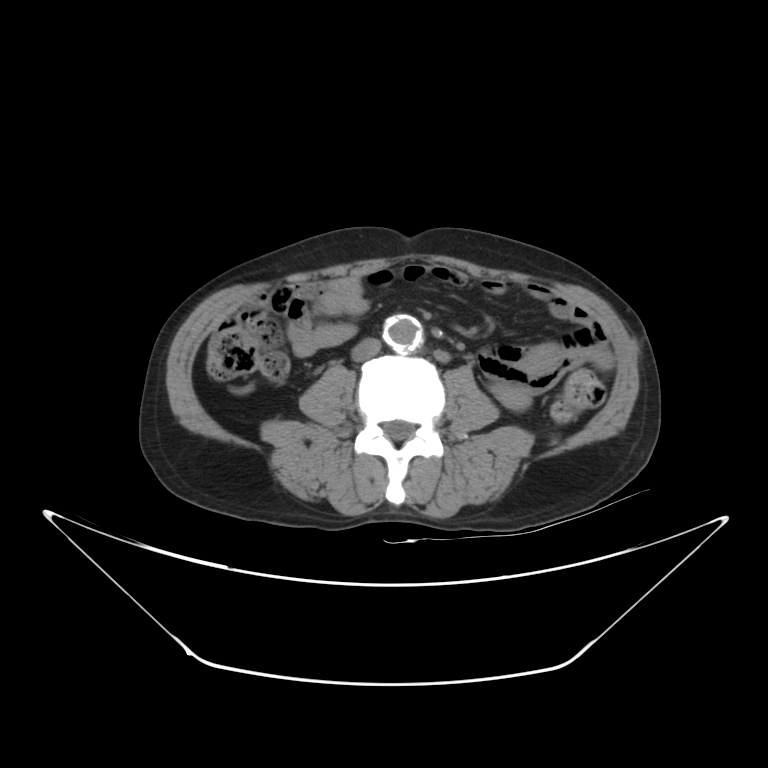 CT abdomen — axial plane, index 51 — soft-tissue window (W 400 / L 40) — 768x768 px — 59-year-old male patient
{"organs":{"inferior vena cava":[351,338,380,360],"aorta":[383,315,422,350]}}